CT abdomen · axial plane, index 60 · soft-tissue window (W 400 / L 40) · 43-year-old female patient · acquired on Aquilion ONE
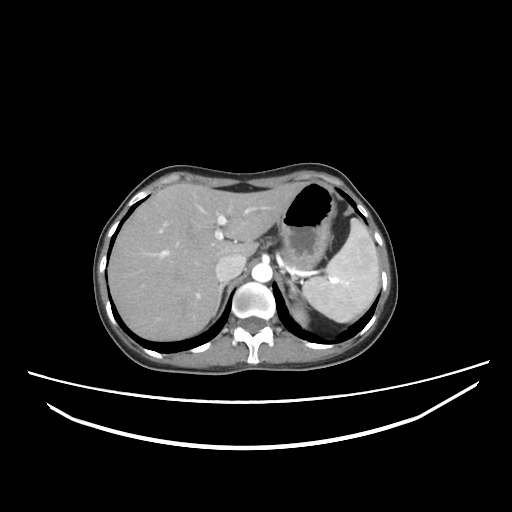
<organs><organ name="spleen" x1="302" y1="218" x2="379" y2="322"/><organ name="left kidney" x1="293" y1="305" x2="308" y2="325"/><organ name="liver" x1="108" y1="182" x2="304" y2="340"/><organ name="stomach" x1="278" y1="182" x2="335" y2="269"/><organ name="aorta" x1="251" y1="263" x2="272" y2="282"/><organ name="inferior vena cava" x1="215" y1="254" x2="245" y2="282"/><organ name="right adrenal gland" x1="213" y1="282" x2="227" y2="314"/><organ name="left adrenal gland" x1="287" y1="279" x2="305" y2="303"/></organs>